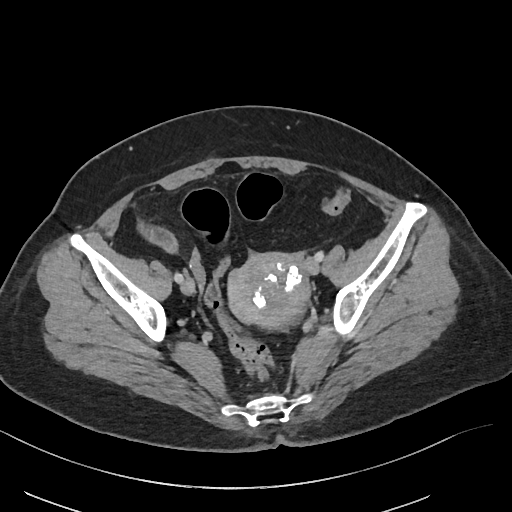

CT abdomen. Axial slice 61/244. soft-tissue window (W 400 / L 40)
{"organs":{"prostate/uterus":[229,253,309,326]}}